CT abdomen — axial view — 512x512 px — 48-year-old female patient
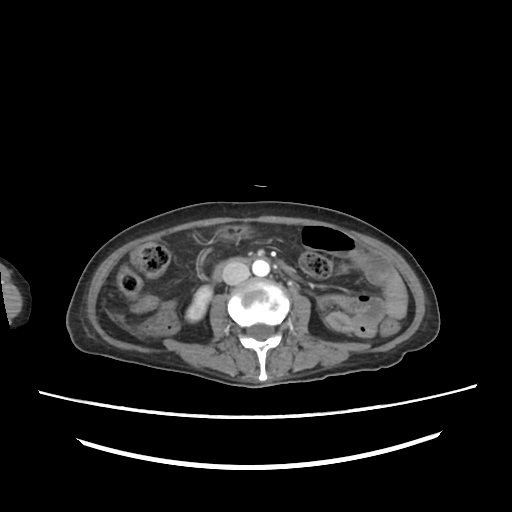
Coordinates as <box>x1,y1,x2,y2</box> in pixels. The annotated organs in this slice are: right kidney at <box>186,285,212,322</box>, stomach at <box>216,225,251,240</box>, aorta at <box>252,260,269,276</box>, inferior vena cava at <box>222,261,249,285</box>, duodenum at <box>213,258,246,280</box>.